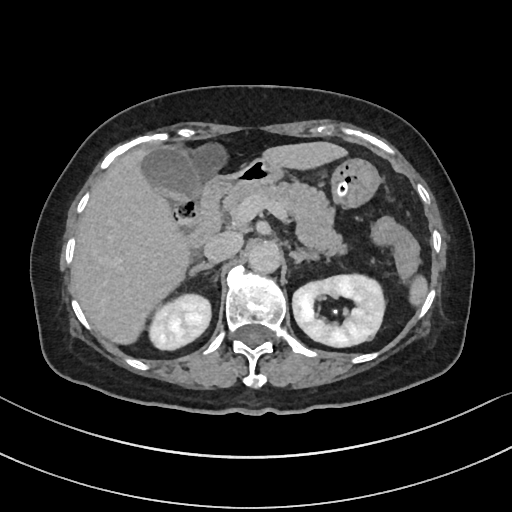

CT, abdomen/pelvis · axial view · W/L 400/40 HU · 512x512 px · 15 organs annotated in this scan (a whole-scan count: organs this slice does not pass through have no box)
Boxes are (x1, y1, x2, y2) in pixels.
Organ bounding boxes:
- right adrenal gland: (188, 262, 214, 276)
- spleen: (409, 276, 427, 306)
- left kidney: (293, 274, 385, 347)
- gall bladder: (139, 146, 201, 201)
- pancreas: (222, 181, 347, 258)
- liver: (71, 141, 347, 344)
- inferior vena cava: (203, 231, 243, 262)
- right kidney: (149, 293, 210, 350)
- left adrenal gland: (290, 250, 317, 263)
- stomach: (248, 158, 380, 207)
- duodenum: (185, 157, 277, 247)
- aorta: (247, 241, 279, 273)